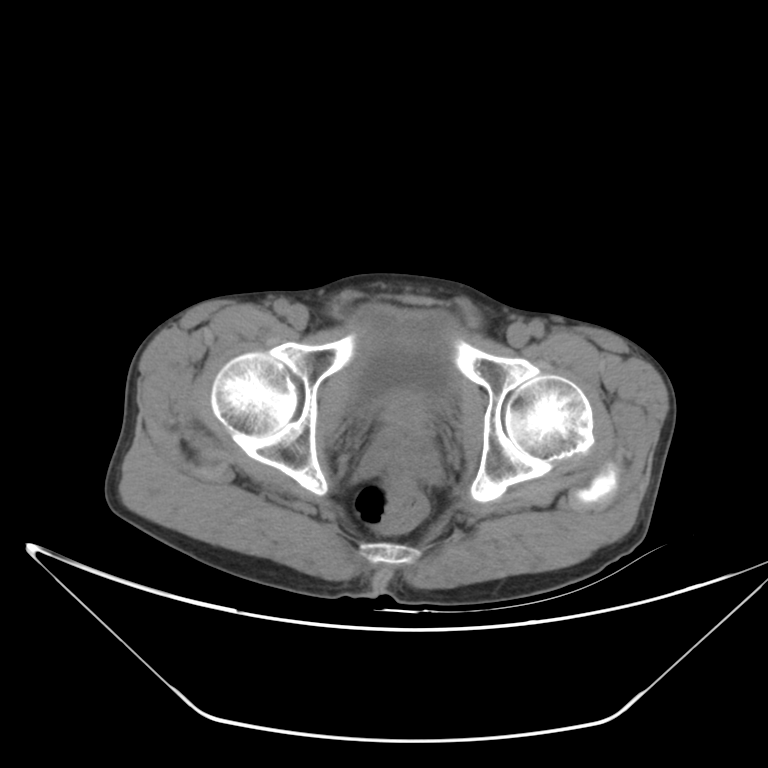

CT abdomen. Axial slice 20/81. soft-tissue window
Bounding boxes in pixels, one row per box: x1, y1 is the top-left corner and x2, y2 the bottom-right.
| organ | x1 | y1 | x2 | y2 |
|---|---|---|---|---|
| bladder | 349 | 305 | 457 | 410 |
| prostate/uterus | 382 | 393 | 430 | 444 |